CT abdomen. axial plane, index 54
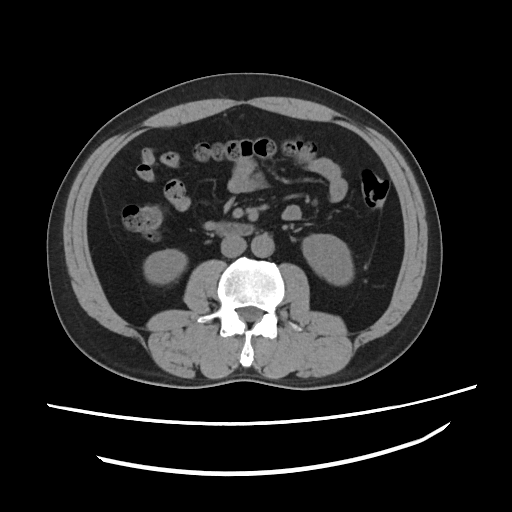 One row per box, in pixels: columns x1 and y1 give the top-left corner, x2 and y2 the bottom-right.
| organ | x1 | y1 | x2 | y2 |
|---|---|---|---|---|
| right kidney | 143 | 248 | 187 | 285 |
| left kidney | 301 | 234 | 353 | 284 |
| aorta | 252 | 234 | 273 | 258 |
| inferior vena cava | 220 | 235 | 246 | 256 |
| duodenum | 216 | 223 | 252 | 236 |